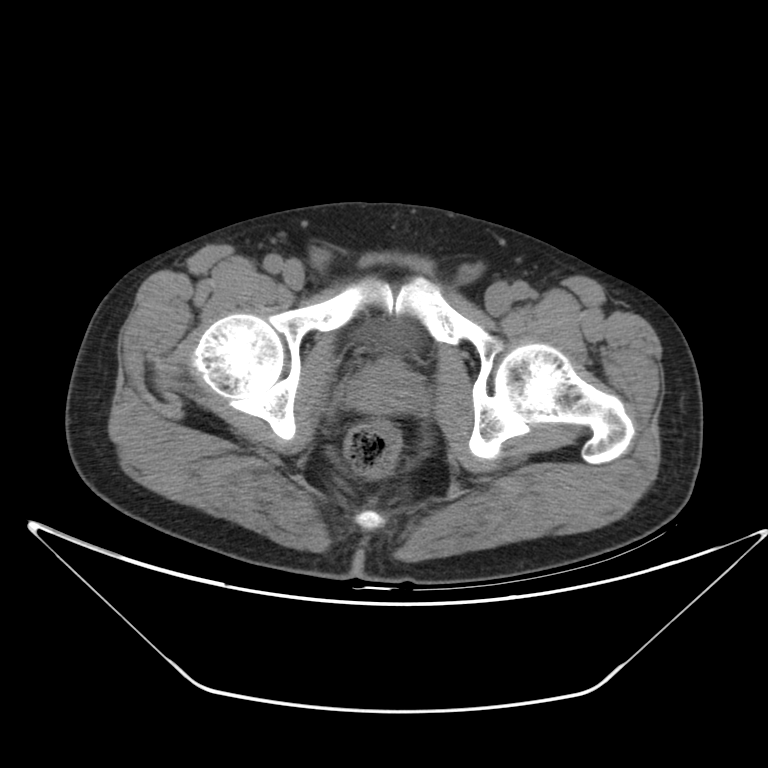

CT abdomen — axial plane, index 14 — 768x768 px — acquired on Brilliance16
Bounding boxes in pixels, one row per box: x1, y1 is the top-left corner and x2, y2 the bottom-right.
| organ | x1 | y1 | x2 | y2 |
|---|---|---|---|---|
| prostate/uterus | 346 | 358 | 425 | 414 |
| bladder | 360 | 320 | 416 | 350 |